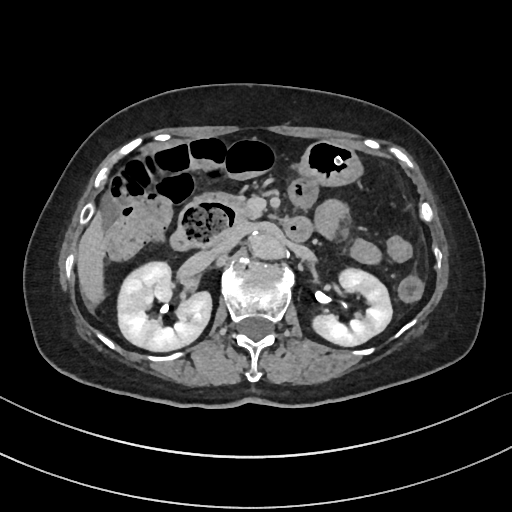 Computed tomography, abdomen · axial view · W/L 400/40 HU · 512x512 px · SOMATOM Force scanner · 15 organs annotated in this scan (a whole-scan count: organs this slice does not pass through have no box)
Bounding boxes as [x1, y1, x2, y2] in pixel coordinates.
left kidney: [312, 268, 391, 346]
right kidney: [117, 261, 211, 351]
aorta: [250, 234, 281, 259]
duodenum: [170, 195, 312, 250]
liver: [77, 212, 105, 304]
inferior vena cava: [212, 227, 245, 254]
pancreas: [211, 193, 253, 222]
stomach: [297, 140, 362, 185]